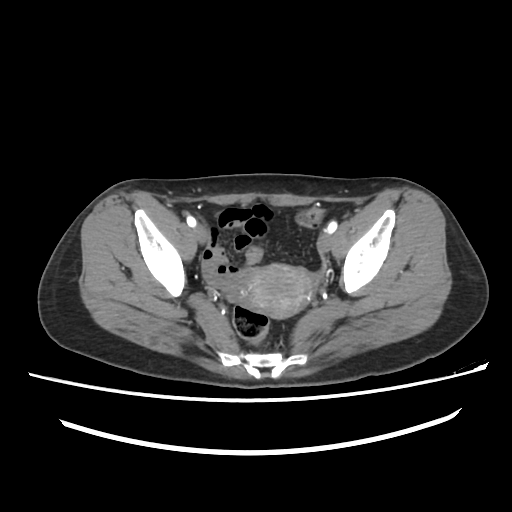 CT abdomen — axial plane, index 24 — W/L 400/40 HU — 512x512 px — 45-year-old female patient — acquired on Aquilion ONE
Coordinates as <box>x1,y1,x2,y2</box> in pixels.
prostate/uterus: <box>238,264,313,318</box>